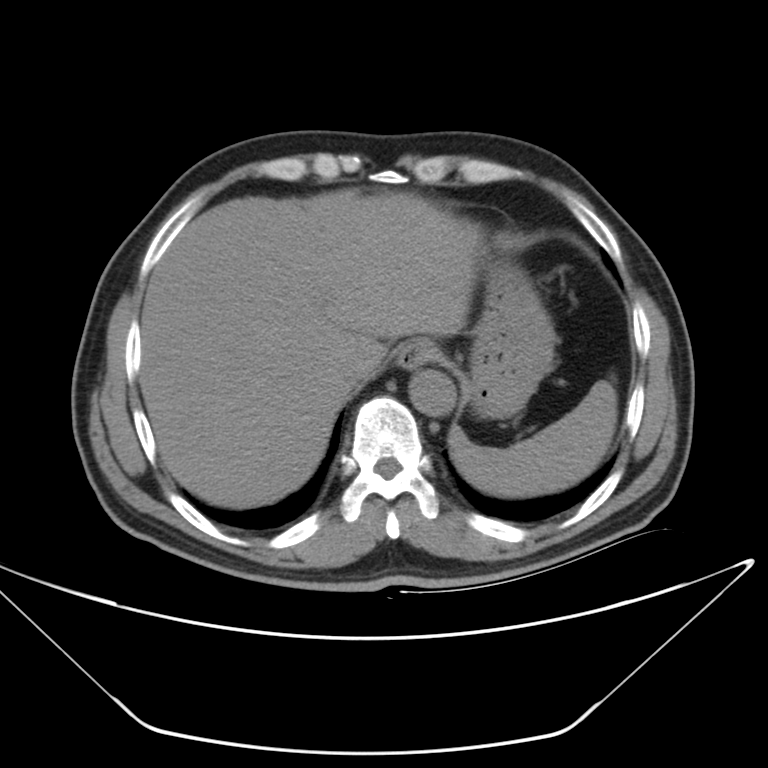
Abdominal CT · axial view · soft-tissue window · 768x768 px
Box edges are left/top/right/bottom in pixels.
Organ bounding boxes:
- spleen: left=448, top=379, right=618, bottom=495
- esophagus: left=397, top=337, right=436, bottom=375
- liver: left=138, top=189, right=482, bottom=506
- stomach: left=468, top=260, right=553, bottom=418
- aorta: left=412, top=371, right=456, bottom=415
- inferior vena cava: left=341, top=366, right=371, bottom=386